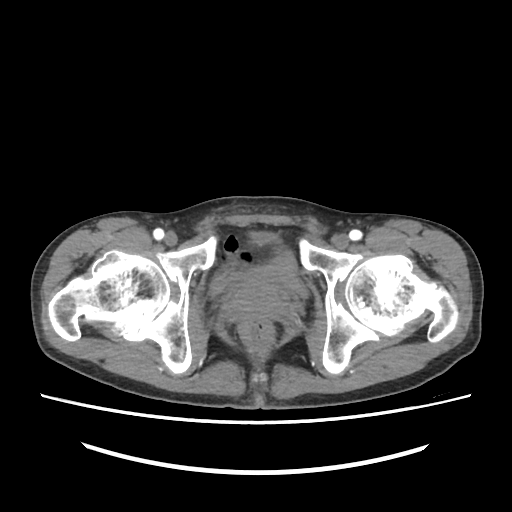
Abdominal CT. axial view. soft-tissue window (W 400 / L 40)
Boxes: x1:y1:x2:y2 in pixels.
bladder: 209:248:307:298
prostate/uterus: 227:283:287:317